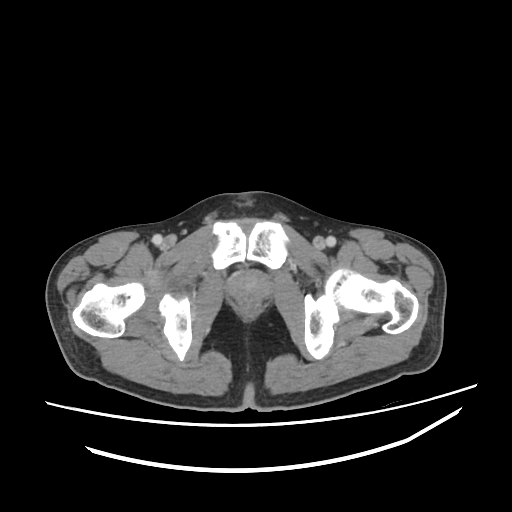
CT, abdomen/pelvis. axial view
{"organs":{"prostate/uterus":[229,272,269,300]}}